Abdominal CT; this slice is in the lower chest, just above the liver — axial plane, index 224 — soft-tissue window (W 400 / L 40) — 512x512 px — scan has 15 labeled organs (that count is for the whole scan; organs this slice misses have no box)
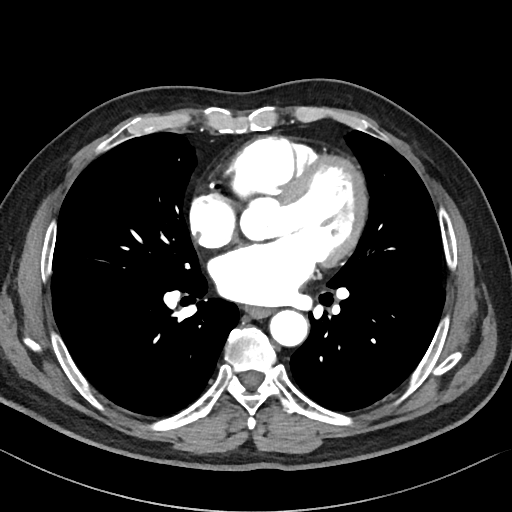

No part of the heart or lungs is labeled in this dataset, so neither has a box here.
<organs><organ name="esophagus" x1="245" y1="306" x2="271" y2="317"/><organ name="aorta" x1="269" y1="310" x2="308" y2="345"/></organs>